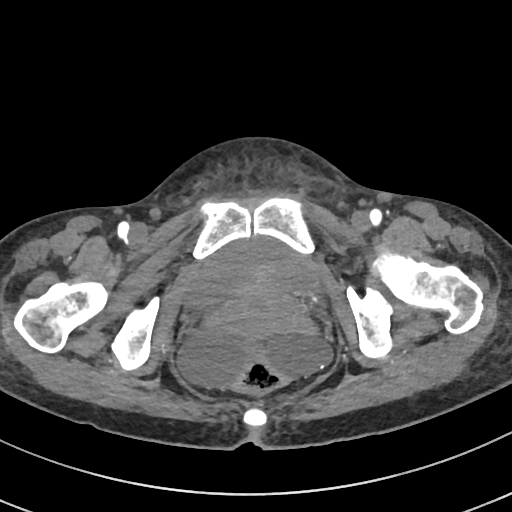

Abdominal CT; axial view
Boxes: x1 y1 x2 y2 (pixel coords, space-separated).
Organ bounding boxes:
- bladder: 184 238 322 310
- prostate/uterus: 224 263 291 320